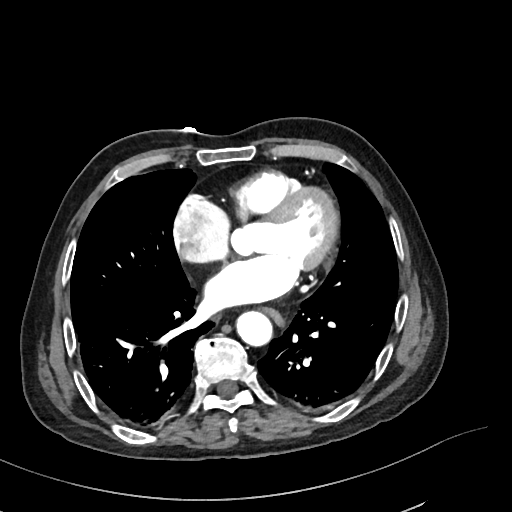
Lower-chest slice from an abdominal CT, just above the liver and spleen — axial view — 512x512 px — acquired on SOMATOM Force
Of the structures in the chest, this dataset labels only the esophagus, the aorta and the inferior vena cava; the heart and lungs have no label.
{"organs":{"esophagus":[264,308,282,323],"aorta":[236,311,272,346]}}